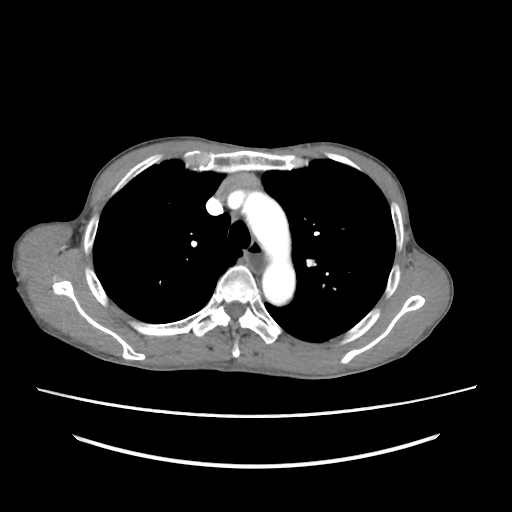
Abdominal CT reaching into the chest; this slice is in the chest · Axial slice 110/126 · soft-tissue window, W/L 400/40 · Aquilion ONE scanner
On a slice this high in the chest, this dataset labels only the esophagus and the aorta, and each is boxed only where it is labeled; the heart, lungs and other chest structures are not labeled.
<organs><organ name="esophagus" x1="248" y1="241" x2="264" y2="272"/><organ name="aorta" x1="243" y1="192" x2="295" y2="305"/></organs>